Abdominal CT · axial view · soft-tissue window · 512x512 px
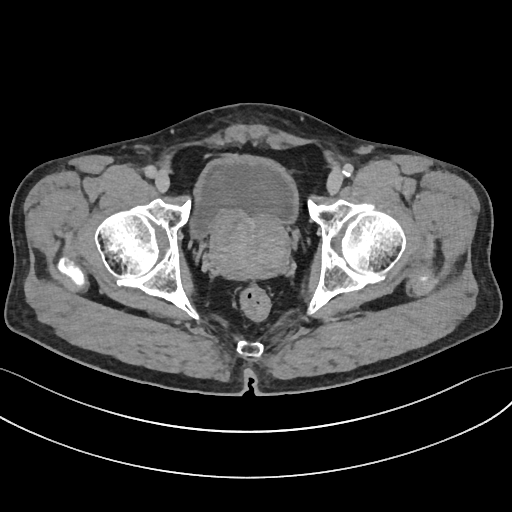
Box edges are left/top/right/bottom in pixels. The annotated organs in this slice are: prostate/uterus at left=210, top=212, right=290, bottom=277, bladder at left=188, top=154, right=298, bottom=240.